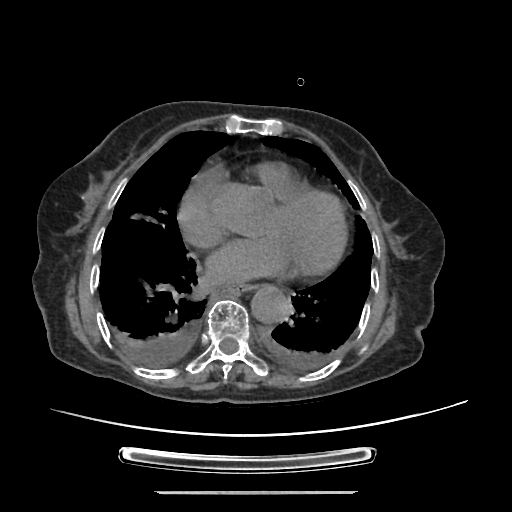 Lower-chest slice from an abdominal CT, just above the liver and spleen — axial view — soft-tissue window (W 400 / L 40) — SOMATOM Force scanner
Of the structures in the chest, this dataset labels only the esophagus, the aorta and the inferior vena cava; the heart and lungs have no label.
Coordinates as <box>x1,y1,x2,y2</box> in pixels.
esophagus: <box>223,286,252,294</box>
aorta: <box>250,286,291,324</box>